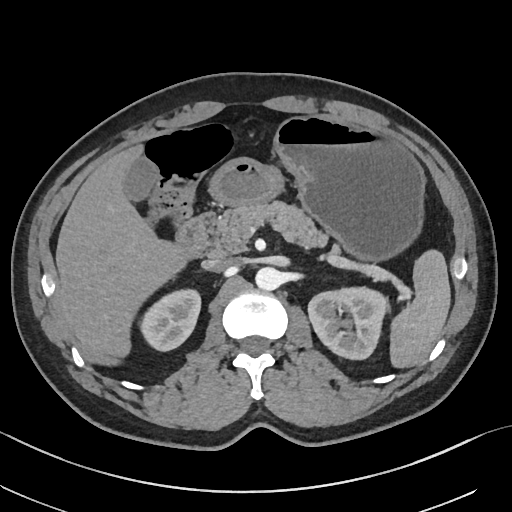 CT, abdomen/pelvis; Axial slice 158/307; soft-tissue window (W 400 / L 40); 512x512 px
Boxes: x1:y1:x2:y2 in pixels. The annotated organs in this slice are: inferior vena cava at 203:257:237:271, aorta at 255:267:281:291, right kidney at 143:291:200:350, liver at 55:145:186:354, gall bladder at 123:157:157:202, stomach at 207:115:425:261, duodenum at 176:211:214:260, pancreas at 209:201:325:255, spleen at 389:251:450:368, left kidney at 308:286:386:359.